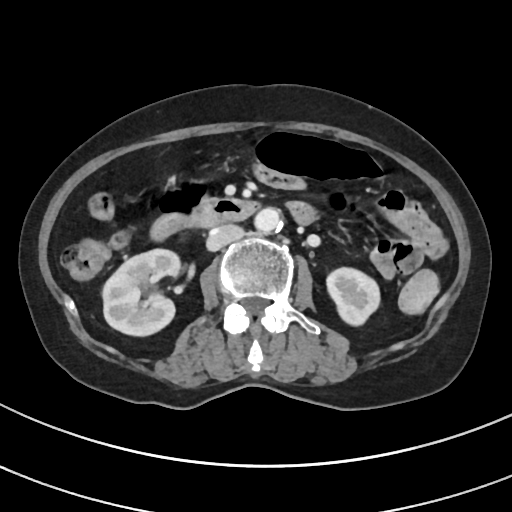

Computed tomography, abdomen; axial view; abdomen soft-tissue window
Boxes: x1 y1 x2 y2 (pixel coords, space-separated). 5 labeled organs on this slice — right kidney at 103 249 181 336; left kidney at 327 268 379 325; aorta at 255 207 282 233; inferior vena cava at 207 223 243 250; duodenum at 149 181 258 240.